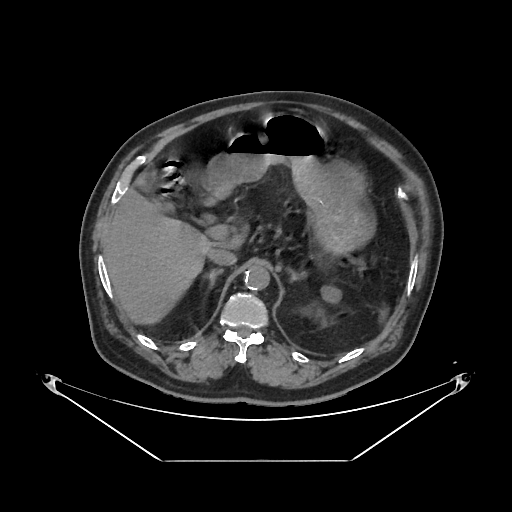

CT abdomen. Axial slice 266/353. soft-tissue window. 512x512 px. SOMATOM Force scanner. scan has 15 labeled organs (that count is for the whole scan; organs this slice misses have no box)
One row per box, in pixels: columns x1 and y1 give the top-left corner, x2 and y2 the bottom-right.
| organ | x1 | y1 | x2 | y2 |
|---|---|---|---|---|
| stomach | 202 | 113 | 372 | 254 |
| gall bladder | 137 | 182 | 162 | 207 |
| right adrenal gland | 208 | 269 | 223 | 287 |
| aorta | 244 | 265 | 270 | 290 |
| duodenum | 204 | 193 | 219 | 204 |
| left kidney | 321 | 286 | 341 | 302 |
| liver | 104 | 172 | 243 | 325 |
| left adrenal gland | 289 | 269 | 306 | 283 |
| inferior vena cava | 208 | 248 | 236 | 265 |